CT abdomen; axial view; 15 organs annotated in this scan (counted over the whole 3D scan, not this slice; an organ is boxed only where this slice passes through it)
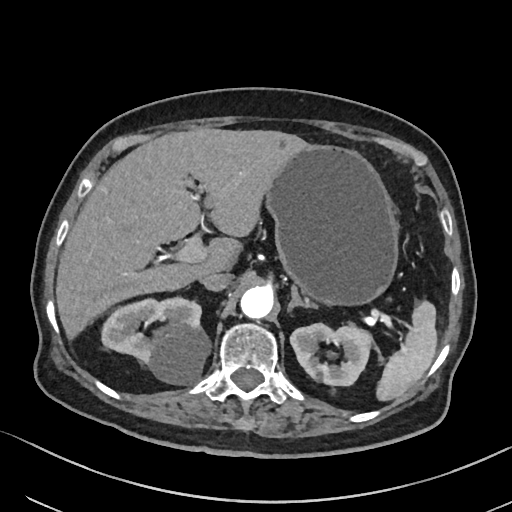 {"organs":{"spleen":[377,300,437,399],"right kidney":[100,297,209,383],"left kidney":[289,323,371,385],"liver":[55,128,306,337],"stomach":[267,143,397,305],"aorta":[240,286,273,317],"inferior vena cava":[201,272,233,291],"left adrenal gland":[287,286,317,309]}}